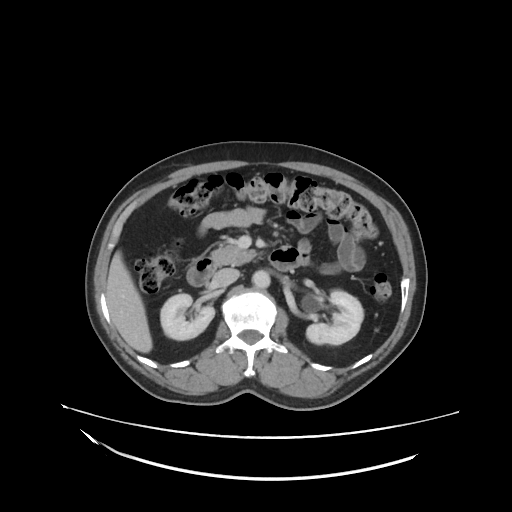 Computed tomography, abdomen. axial view. soft-tissue window
Boxes: x1:y1:x2:y2 in pixels.
right kidney: 160:293:214:340
left kidney: 306:290:363:345
liver: 106:254:153:353
aorta: 252:270:270:288
inferior vena cava: 212:268:238:286
pancreas: 209:245:256:264
duodenum: 188:247:302:286